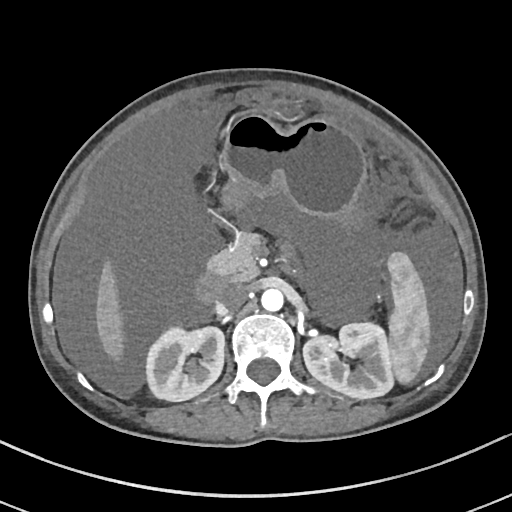 CT, abdomen/pelvis; Axial slice 153/237; W/L 400/40 HU; scan has 15 labeled organs (that count is for the whole scan; organs this slice misses have no box)
Boxes: x1:y1:x2:y2 in pixels. The annotated organs in this slice are: aorta at 261:288:284:312, stomach at 218:114:373:237, pancreas at 209:233:311:283, spleen at 387:253:431:385, liver at 94:257:129:365, inferior vena cava at 216:285:246:314, right kidney at 147:326:224:400, left kidney at 302:323:392:398, duodenum at 194:269:227:303.